CT abdomen · axial view · abdomen soft-tissue window · 512x512 px
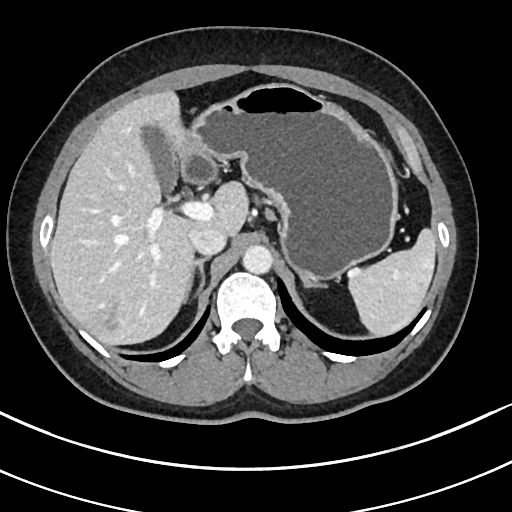 {"organs":{"inferior vena cava":[189,226,226,255],"pancreas":[264,209,275,219],"right adrenal gland":[183,256,209,303],"spleen":[349,226,436,337],"stomach":[176,83,397,280],"gall bladder":[140,121,177,194],"aorta":[242,244,272,273],"left adrenal gland":[301,276,325,288],"liver":[50,91,247,344]}}